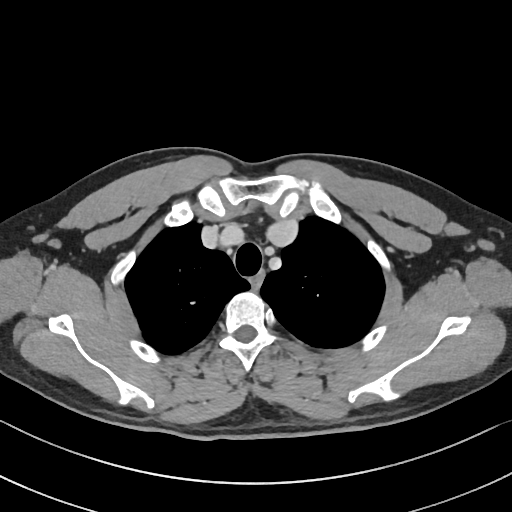 Abdominal CT reaching into the chest; this slice is in the chest; axial plane, index 269
At this level of the chest this dataset labels only the esophagus and the aorta, and each is boxed only where it is labeled; the heart and lungs are never labeled.
<organs><organ name="esophagus" x1="249" y1="270" x2="264" y2="289"/></organs>